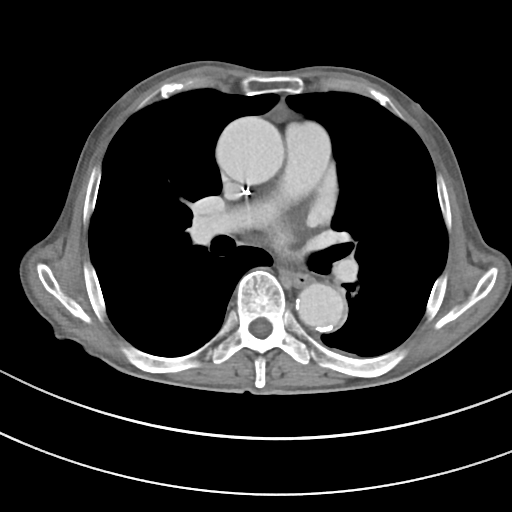

Abdominal CT reaching into the chest; this slice is in the chest; axial plane, index 91; 512x512 px; SOMATOM Force scanner; 15 organs annotated in this scan (counted over the whole 3D scan, not this slice; an organ is boxed only where this slice passes through it)
At this level of the chest this dataset labels only the esophagus and the aorta, and each is boxed only where it is labeled; the heart and lungs are never labeled.
Organ boxes in pixel coordinates; each row gives the top-left (x1, y1) and bottom-right (x2, y2) corners.
| organ | x1 | y1 | x2 | y2 |
|---|---|---|---|---|
| esophagus | 283 | 271 | 312 | 286 |
| aorta | 216 | 116 | 284 | 185 |
| aorta | 296 | 283 | 344 | 330 |